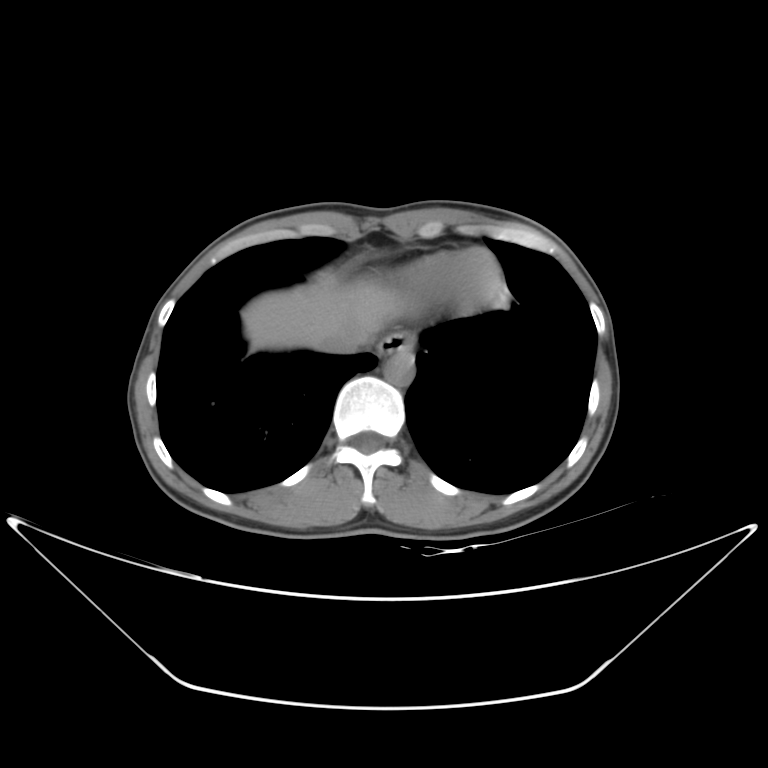

CT abdomen · axial view · W/L 400/40 HU · 768x768 px · scan has 15 labeled organs (a whole-scan count: organs this slice does not pass through have no box)
Boxes are (x1, y1, x2, y2) in pixels. 4 labeled organs on this slice — esophagus at (377, 332, 415, 356); liver at (242, 271, 397, 349); aorta at (383, 353, 414, 386); inferior vena cava at (318, 322, 373, 352).